Computed tomography, abdomen · axial view · abdomen soft-tissue window · 512x512 px · SOMATOM Force scanner · scan has 15 labeled organs (that count is for the whole scan; organs this slice misses have no box)
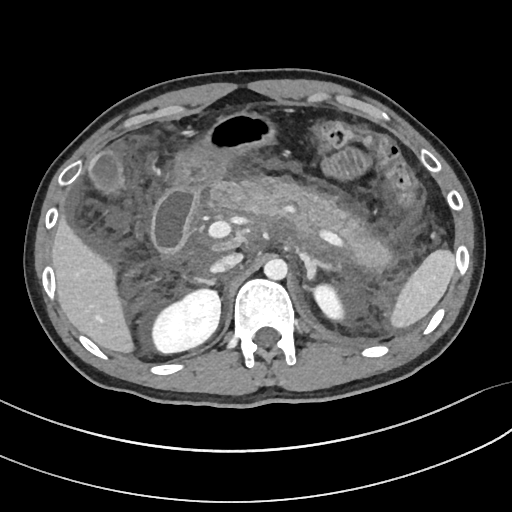
{"organs":{"duodenum":[150,189,197,255],"left kidney":[311,281,347,321],"right adrenal gland":[196,277,214,285],"left adrenal gland":[299,252,332,280],"liver":[52,222,135,351],"right kidney":[152,287,220,353],"inferior vena cava":[210,253,242,273],"spleen":[390,249,455,327],"aorta":[263,257,288,280],"stomach":[176,113,272,192],"pancreas":[209,178,387,267],"gall bladder":[89,151,122,190]}}